Abdominal CT. axial view
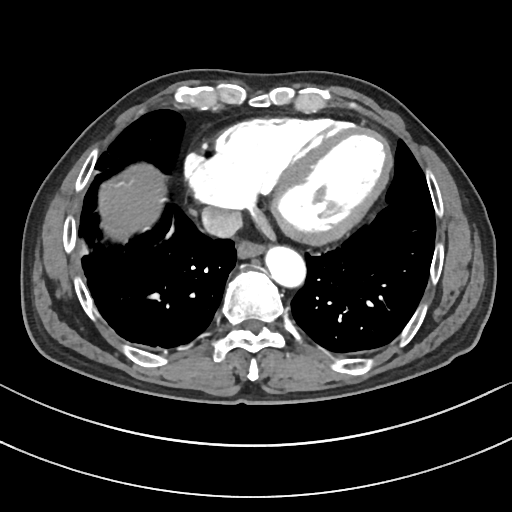

Boxes: x1 y1 x2 y2 (pixel coords, space-separated). The annotated organs in this slice are: esophagus at 237 238 264 257, liver at 107 166 163 230, aorta at 264 245 304 285, inferior vena cava at 201 205 241 237.